Abdominal MRI — Axial slice 46/72
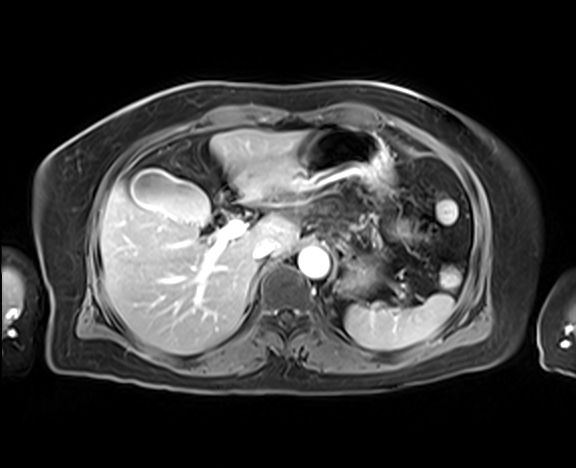

<organs><organ name="spleen" x1="344" y1="294" x2="453" y2="349"/><organ name="gall bladder" x1="131" y1="170" x2="209" y2="226"/><organ name="liver" x1="100" y1="129" x2="305" y2="354"/><organ name="stomach" x1="283" y1="124" x2="394" y2="295"/><organ name="aorta" x1="298" y1="247" x2="329" y2="278"/><organ name="inferior vena cava" x1="254" y1="241" x2="275" y2="261"/><organ name="pancreas" x1="366" y1="214" x2="383" y2="250"/><organ name="duodenum" x1="217" y1="185" x2="240" y2="205"/></organs>